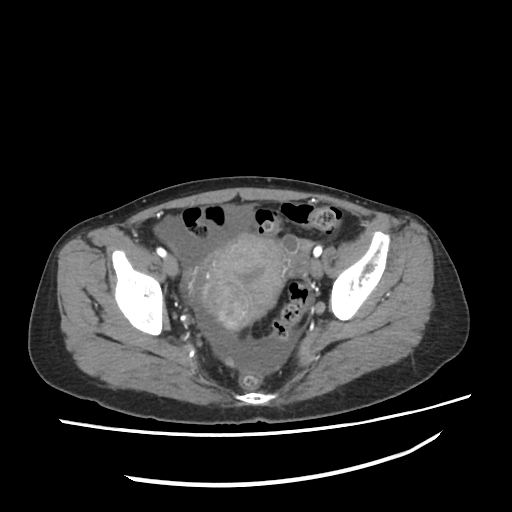

Computed tomography, abdomen; axial view; soft-tissue window; 15 organs annotated in this scan (counted over the whole 3D scan, not this slice; an organ is boxed only where this slice passes through it)
Box edges are left/top/right/bottom in pixels. 1 labeled organ on this slice — prostate/uterus at left=196, top=234, right=296, bottom=330.